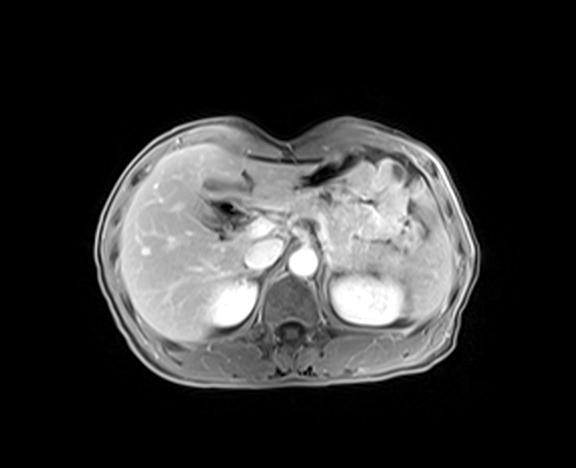 Abdominal MRI. axial view. scan has 13 labeled organs (a whole-scan count: organs this slice does not pass through have no box)
Box edges are left/top/right/bottom in pixels.
Organ bounding boxes:
- spleen: left=401, top=188, right=452, bottom=322
- right kidney: left=202, top=278, right=257, bottom=327
- left kidney: left=331, top=277, right=407, bottom=325
- gall bladder: left=205, top=211, right=222, bottom=226
- liver: left=119, top=143, right=313, bottom=342
- stomach: left=296, top=153, right=355, bottom=196
- aorta: left=288, top=249, right=317, bottom=277
- inferior vena cava: left=245, top=238, right=283, bottom=270
- pancreas: left=275, top=191, right=403, bottom=278
- left adrenal gland: left=324, top=262, right=346, bottom=287
- duodenum: left=218, top=201, right=242, bottom=215